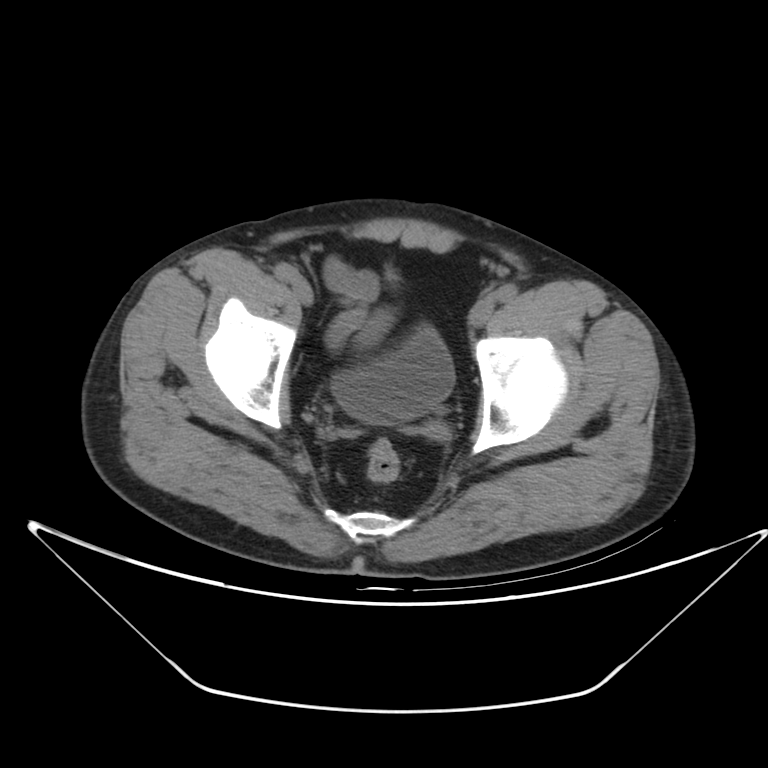
Computed tomography, abdomen · axial view · W/L 400/40 HU · 45-year-old male patient · acquired on Brilliance16
Box edges are left/top/right/bottom in pixels. Labeled organs on this slice: bladder at left=331, top=327, right=454, bottom=422.